CT abdomen — axial view — abdomen soft-tissue window — scan has 15 labeled organs (that count is for the whole scan; organs this slice misses have no box)
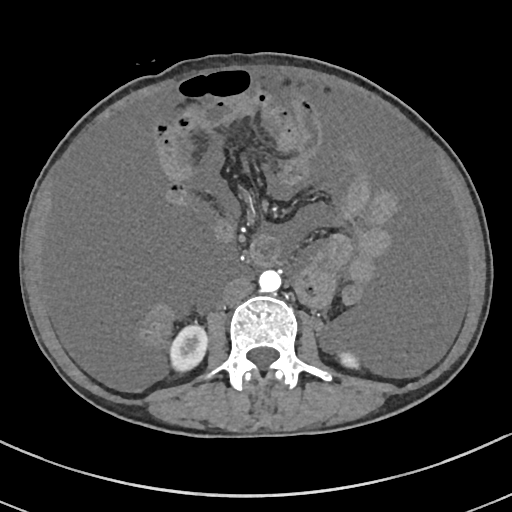

Coordinates as <box>x1,y1,x2,y2</box> in pixels. Labeled organs on this slice: right kidney at <box>170,325,207,371</box>, inferior vena cava at <box>223,277,253,304</box>, left kidney at <box>340,352,358,367</box>, aorta at <box>259,270,281,292</box>.